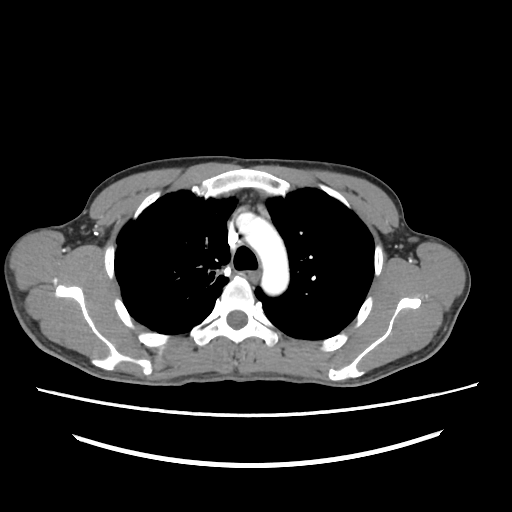
CT of the abdomen extending into the chest, slice through the chest — axial view — soft-tissue window, W/L 400/40 — 13 organs annotated in this scan (counted over the whole 3D scan, not this slice; an organ is boxed only where this slice passes through it)
On a slice this high in the chest, this dataset labels only the esophagus and the aorta, and each is boxed only where it is labeled; the heart, lungs and other chest structures are not labeled.
Organ boxes in pixel coordinates; each row gives the top-left (x1, y1) and bottom-right (x2, y2) corners.
| organ | x1 | y1 | x2 | y2 |
|---|---|---|---|---|
| aorta | 237 | 212 | 289 | 294 |